CT of the abdomen extending into the chest, slice through the chest — axial plane, index 230
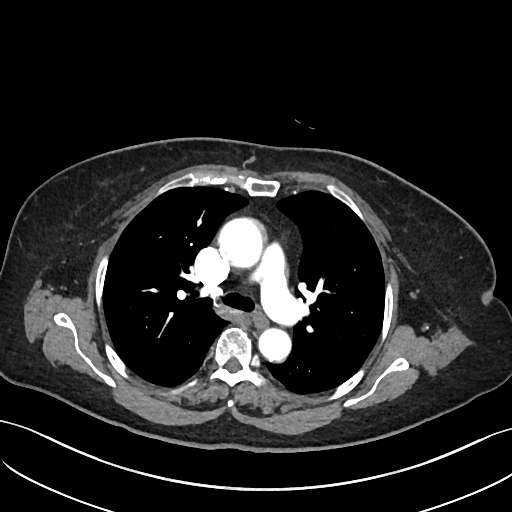
At this level of the chest no structure but the esophagus and the aorta has a label in this dataset, and those two are boxed only where they are labeled. Boxes: x1:y1:x2:y2 in pixels. Labeled organs on this slice: esophagus at 253:313:268:328, aorta at 218:217:262:267, aorta at 258:329:290:361.